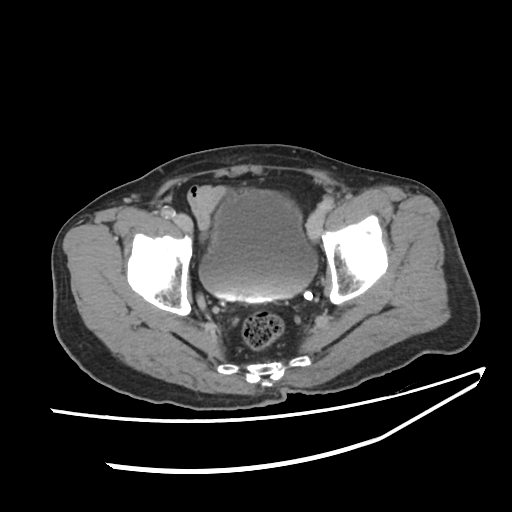

Computed tomography, abdomen; axial view
{"organs":{"bladder":[200,187,315,301]}}